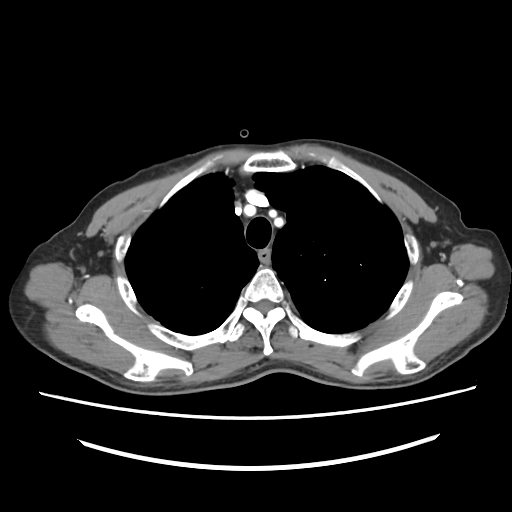

CT of the abdomen extending into the chest, slice through the chest. axial view. soft-tissue window (W 400 / L 40). 512x512 px. 65-year-old male patient
On a slice this high in the chest, this dataset labels only the esophagus and the aorta, and each is boxed only where it is labeled; the heart, lungs and other chest structures are not labeled.
<organs><organ name="esophagus" x1="258" y1="250" x2="270" y2="260"/></organs>